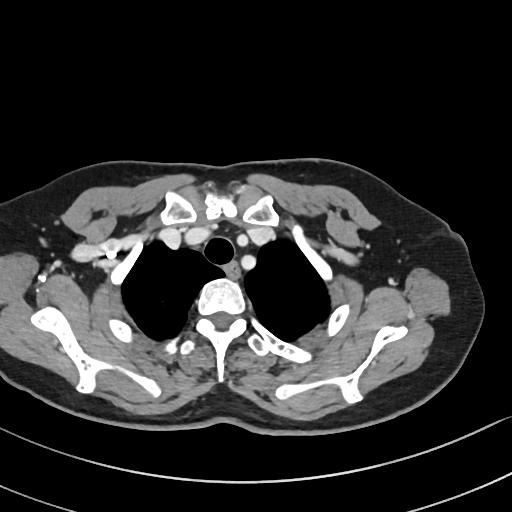
Abdominal CT reaching into the chest; this slice is in the chest · axial view · soft-tissue window · 512x512 px
On a slice this high in the chest, this dataset labels only the esophagus and the aorta, and each is boxed only where it is labeled; the heart, lungs and other chest structures are not labeled.
Boxes: x1:y1:x2:y2 in pixels.
Organ bounding boxes:
- esophagus: 224:262:238:277